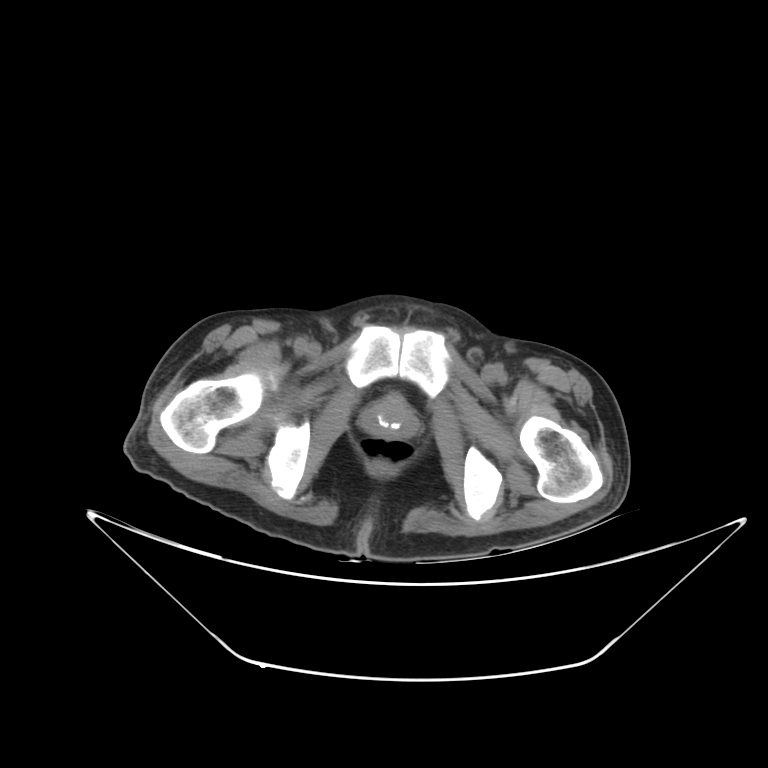
Abdominal CT; Axial slice 10/101; 768x768 px; 55-year-old male patient; Brilliance16 scanner
Organ boxes in pixel coordinates; each row gives the top-left (x1, y1) and bottom-right (x2, y2) corners.
| organ | x1 | y1 | x2 | y2 |
|---|---|---|---|---|
| prostate/uterus | 365 | 402 | 415 | 439 |